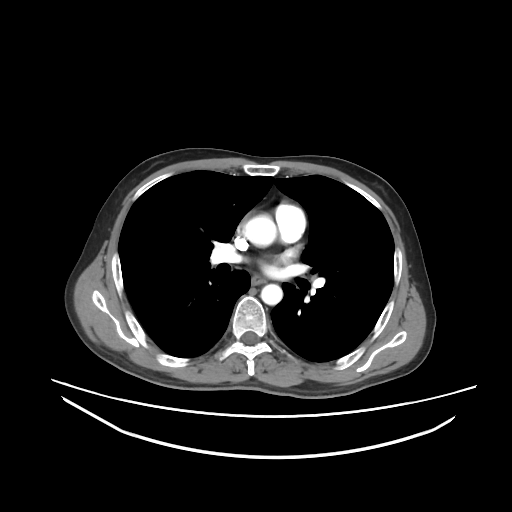
Abdominal CT reaching into the chest; this slice is in the chest · axial plane, index 104 · 52-year-old male patient · 15 organs annotated in this scan (counted over the whole 3D scan, not this slice; an organ is boxed only where this slice passes through it)
At this level of the chest no structure but the esophagus and the aorta has a label in this dataset, and those two are boxed only where they are labeled.
Coordinates as <box>x1,y1,x2,y2</box> in pixels.
esophagus: <box>252,277,263,284</box>
aorta: <box>243,214,276,247</box>
aorta: <box>260,284,282,304</box>